Computed tomography, abdomen — Axial slice 56/82 — abdomen soft-tissue window
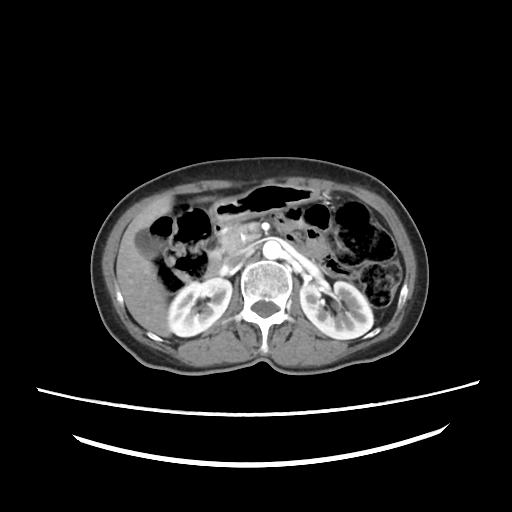
Organ boxes in pixel coordinates; each row gives the top-left (x1, y1) and bottom-right (x2, y2) corners.
| organ | x1 | y1 | x2 | y2 |
|---|---|---|---|---|
| right kidney | 169 | 278 | 231 | 337 |
| left kidney | 299 | 279 | 373 | 339 |
| gall bladder | 135 | 230 | 156 | 257 |
| liver | 117 | 194 | 175 | 337 |
| stomach | 209 | 184 | 318 | 223 |
| aorta | 263 | 238 | 281 | 258 |
| inferior vena cava | 222 | 246 | 253 | 266 |
| pancreas | 217 | 224 | 261 | 255 |
| duodenum | 203 | 220 | 222 | 278 |